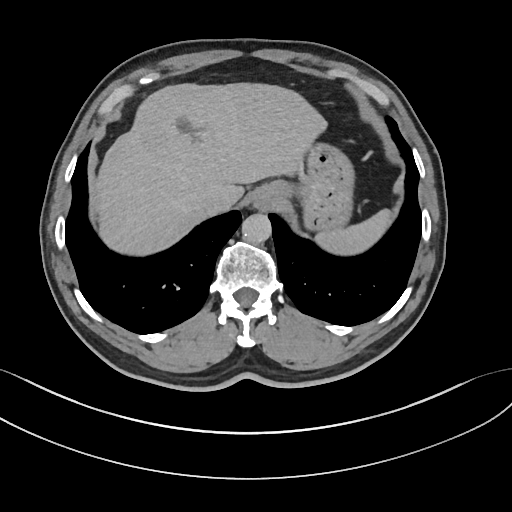
CT abdomen · axial plane, index 187 · abdomen soft-tissue window
{"organs":{"aorta":[241,213,271,243],"esophagus":[250,182,284,210],"liver":[93,82,326,255],"inferior vena cava":[200,190,228,215],"stomach":[278,142,354,230],"spleen":[315,209,392,255]}}